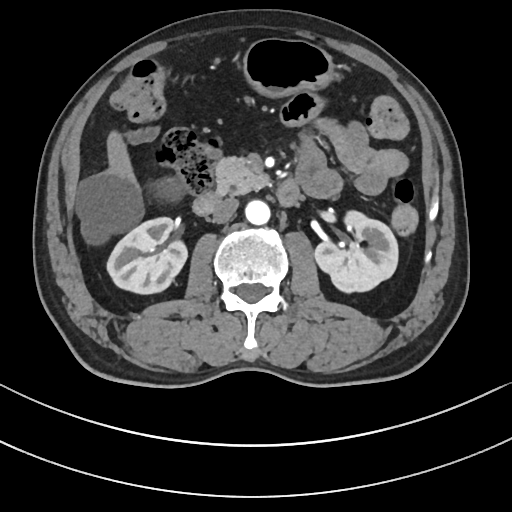
Abdominal CT · axial view · 512x512 px · 15 organs annotated in this scan (a whole-scan count: organs this slice does not pass through have no box)
One row per box, in pixels: columns x1 and y1 give the top-left corner, x2 and y2 the bottom-right.
| organ | x1 | y1 | x2 | y2 |
|---|---|---|---|---|
| pancreas | 216 | 157 | 269 | 194 |
| inferior vena cava | 212 | 197 | 238 | 223 |
| duodenum | 193 | 179 | 301 | 214 |
| stomach | 242 | 38 | 335 | 97 |
| liver | 77 | 131 | 182 | 242 |
| left kidney | 314 | 211 | 398 | 292 |
| right kidney | 107 | 217 | 187 | 293 |
| aorta | 245 | 200 | 270 | 224 |